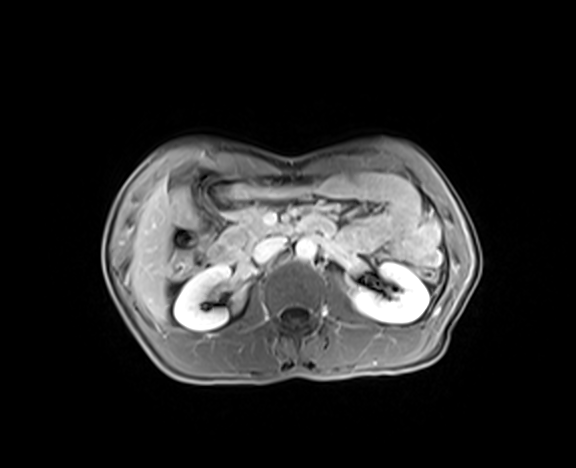 Abdominal MRI · Axial slice 34/72 · acquired on Prisma
<organs><organ name="right kidney" x1="172" y1="265" x2="246" y2="331"/><organ name="left kidney" x1="349" y1="262" x2="429" y2="323"/><organ name="gall bladder" x1="170" y1="171" x2="187" y2="190"/><organ name="liver" x1="130" y1="180" x2="177" y2="322"/><organ name="aorta" x1="295" y1="238" x2="316" y2="261"/><organ name="inferior vena cava" x1="252" y1="236" x2="286" y2="262"/><organ name="pancreas" x1="221" y1="206" x2="282" y2="258"/><organ name="duodenum" x1="206" y1="175" x2="248" y2="261"/></organs>